CT abdomen; axial view; soft-tissue window
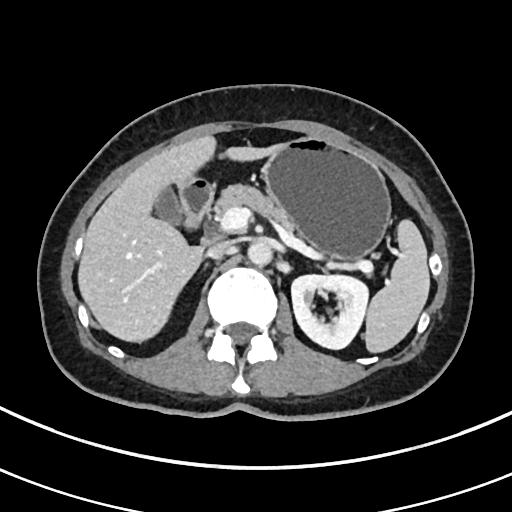
Bounding boxes as [x1, y1, x2, y2] in pixel coordinates.
spleen: [363, 219, 429, 351]
left kidney: [291, 273, 369, 348]
gall bladder: [150, 185, 181, 223]
liver: [78, 134, 274, 340]
stomach: [262, 136, 391, 259]
aorta: [247, 239, 271, 265]
inferior vena cava: [206, 240, 230, 257]
pancreas: [211, 183, 304, 237]
duodenum: [176, 174, 213, 230]